CT abdomen. axial plane, index 132. soft-tissue window
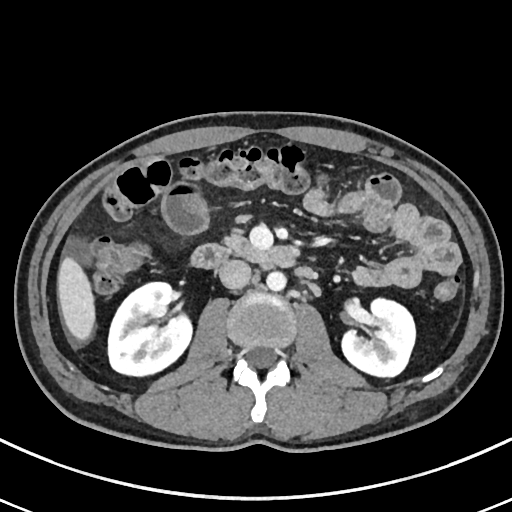

Coordinates as <box>x1,y1,x2,y2</box> in pixels. The annotated organs in this slice are: liver at <box>58,258,94,338</box>, right kidney at <box>107,281,192,375</box>, pancreas at <box>227,236,246,247</box>, left kidney at <box>341,298,415,376</box>, aorta at <box>266,270,286,290</box>, duodenum at <box>191,243,297,268</box>, inferior vena cava at <box>219,260,251,289</box>.